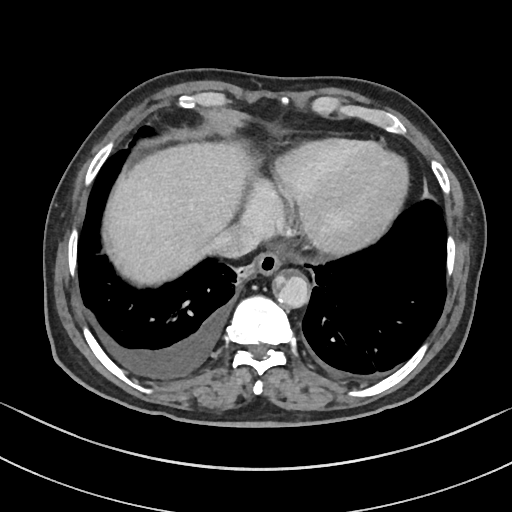

Abdominal CT — axial view — abdomen soft-tissue window — 512x512 px
One row per box, in pixels: columns x1 and y1 give the top-left corner, x2 and y2 the bottom-right.
| organ | x1 | y1 | x2 | y2 |
|---|---|---|---|---|
| liver | 108 | 142 | 251 | 282 |
| inferior vena cava | 211 | 221 | 266 | 256 |
| aorta | 276 | 275 | 309 | 309 |
| esophagus | 252 | 252 | 282 | 276 |